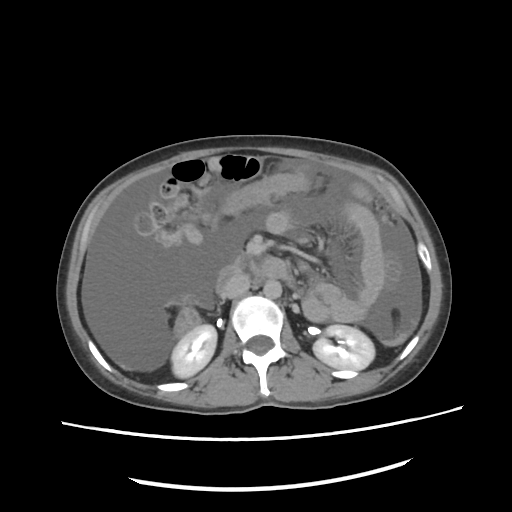
Abdominal CT; axial view; abdomen soft-tissue window; 15 organs annotated in this scan (that count is for the whole scan; organs this slice misses have no box)
Boxes: x1 y1 x2 y2 (pixel coords, space-separated). Labeled organs on this slice: right kidney at 170 324 217 378, left kidney at 312 324 374 370, aorta at 262 278 281 299, inferior vena cava at 223 274 250 297, duodenum at 214 254 259 295.